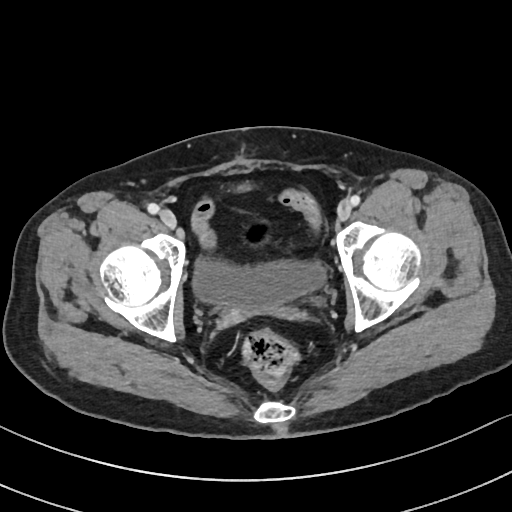

Abdominal CT · axial view · soft-tissue window · scan has 14 labeled organs (a whole-scan count: organs this slice does not pass through have no box)
Coordinates as <box>x1,y1,x2,y2</box> in pixels. Labeled organs on this slice: bladder at <box>193,259,326,311</box>.